MRI, abdomen. axial plane, index 58. 576x468 px
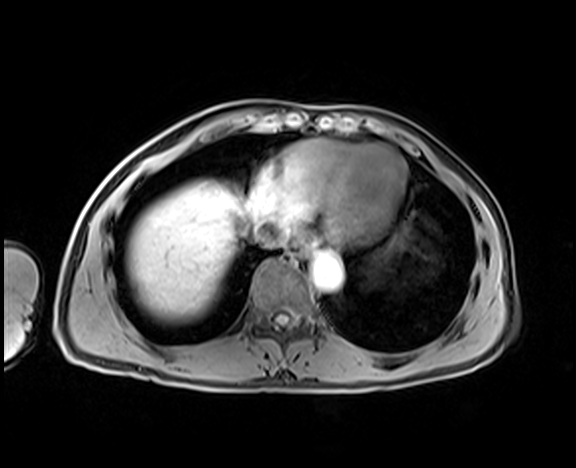 Boxes are (x1, y1, x2, y2) in pixels.
Organ bounding boxes:
- esophagus: (285, 240, 308, 259)
- liver: (127, 181, 247, 325)
- aorta: (312, 253, 342, 290)
- inferior vena cava: (255, 219, 285, 246)